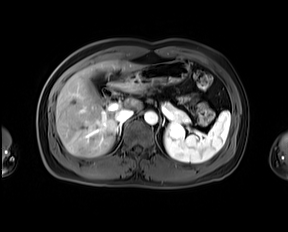 Magnetic resonance imaging, abdomen. axial view. 1st–99th percentile window
<organs><organ name="aorta" x1="144" y1="111" x2="157" y2="124"/><organ name="stomach" x1="116" y1="60" x2="189" y2="90"/><organ name="right adrenal gland" x1="116" y1="124" x2="120" y2="136"/><organ name="inferior vena cava" x1="115" y1="109" x2="133" y2="122"/><organ name="pancreas" x1="163" y1="102" x2="190" y2="123"/><organ name="liver" x1="56" y1="60" x2="142" y2="157"/><organ name="spleen" x1="164" y1="111" x2="230" y2="162"/><organ name="gall bladder" x1="90" y1="84" x2="103" y2="103"/><organ name="duodenum" x1="103" y1="81" x2="116" y2="96"/></organs>